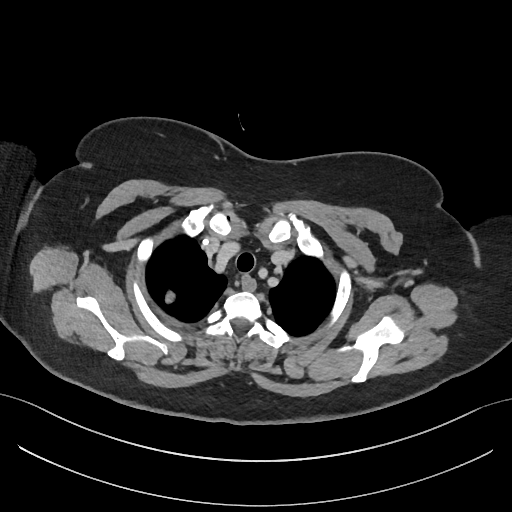
Abdominal CT reaching into the chest; this slice is in the chest · axial view · 512x512 px
On a slice this high in the chest, this dataset labels only the esophagus and the aorta, and each is boxed only where it is labeled; the heart, lungs and other chest structures are not labeled.
{"organs":{"esophagus":[243,274,254,291]}}